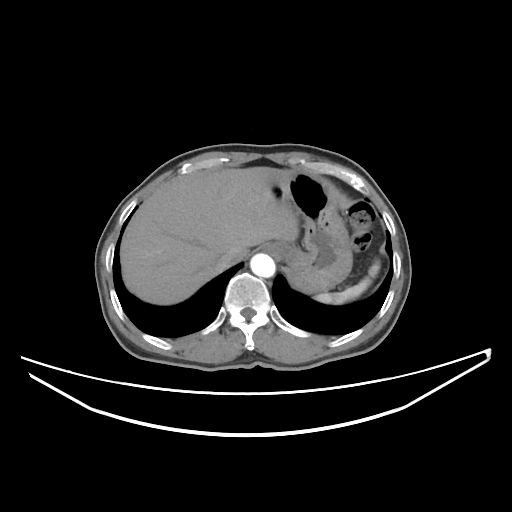
Abdominal CT; axial view; 512x512 px; 62-year-old male patient; Aquilion ONE scanner
<organs><organ name="spleen" x1="314" y1="260" x2="380" y2="304"/><organ name="esophagus" x1="263" y1="243" x2="282" y2="256"/><organ name="liver" x1="120" y1="167" x2="299" y2="304"/><organ name="stomach" x1="271" y1="172" x2="352" y2="292"/><organ name="aorta" x1="250" y1="253" x2="275" y2="277"/><organ name="inferior vena cava" x1="215" y1="252" x2="237" y2="269"/></organs>